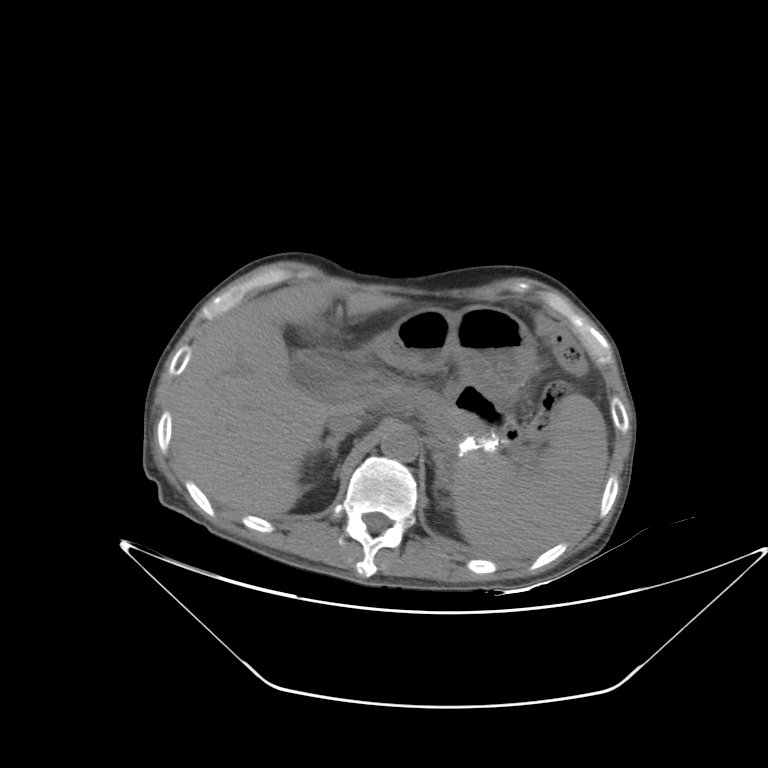 CT, abdomen/pelvis. axial view. W/L 400/40 HU. 768x768 px
Bounding boxes as [x1, y1, x2, y2] in pixel coordinates.
left adrenal gland: [434, 460, 445, 488]
stomach: [369, 305, 535, 448]
aorta: [381, 428, 418, 461]
duodenum: [309, 352, 344, 377]
liver: [171, 284, 400, 517]
spleen: [450, 394, 608, 558]
pancreas: [440, 410, 485, 447]
right adrenal gland: [311, 436, 343, 462]
inferior vena cava: [326, 414, 361, 436]